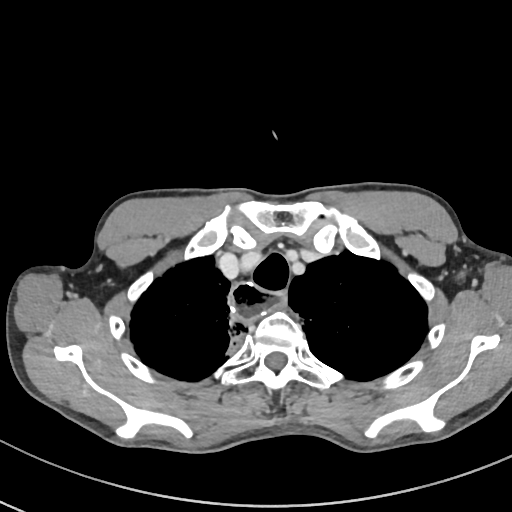 CT of the abdomen extending into the chest, slice through the chest — axial view — SOMATOM Force scanner
At this level of the chest this dataset labels only the esophagus and the aorta, and each is boxed only where it is labeled; the heart and lungs are never labeled.
{"organs":{"esophagus":[230,283,286,321]}}